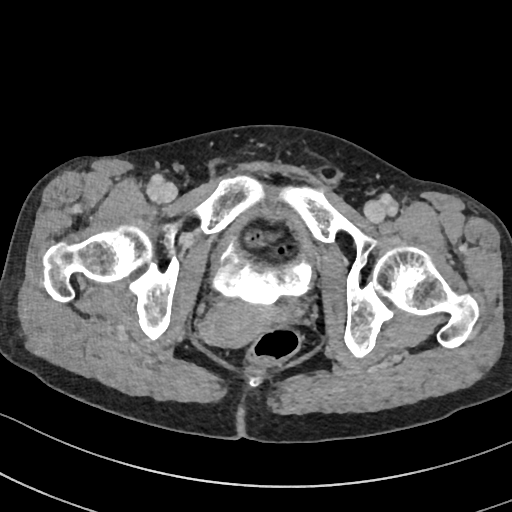 Abdominal CT. axial plane, index 13. abdomen soft-tissue window. 512x512 px. acquired on SOMATOM Force
Bounding boxes as [x1, y1, x2, y2] in pixel coordinates. 2 labeled organs on this slice — bladder at [211, 204, 316, 306]; prostate/uterus at [200, 301, 290, 347].